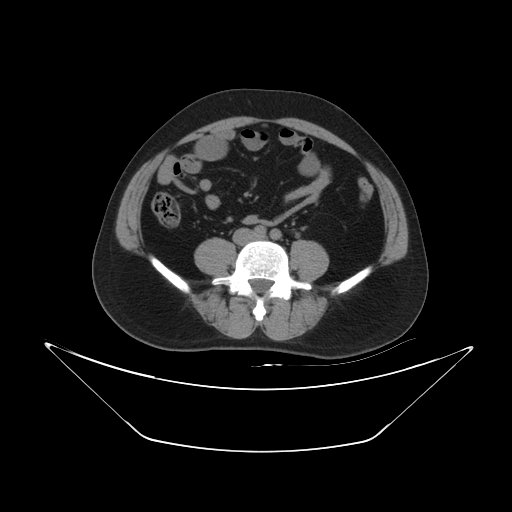
Abdominal CT — axial view — soft-tissue window — 41-year-old male patient — Brilliance16 scanner — scan has 15 labeled organs (a whole-scan count: organs this slice does not pass through have no box)
Bounding boxes as [x1, y1, x2, y2] in pixel coordinates. Labeled organs on this slice: inferior vena cava at [232, 228, 255, 244].